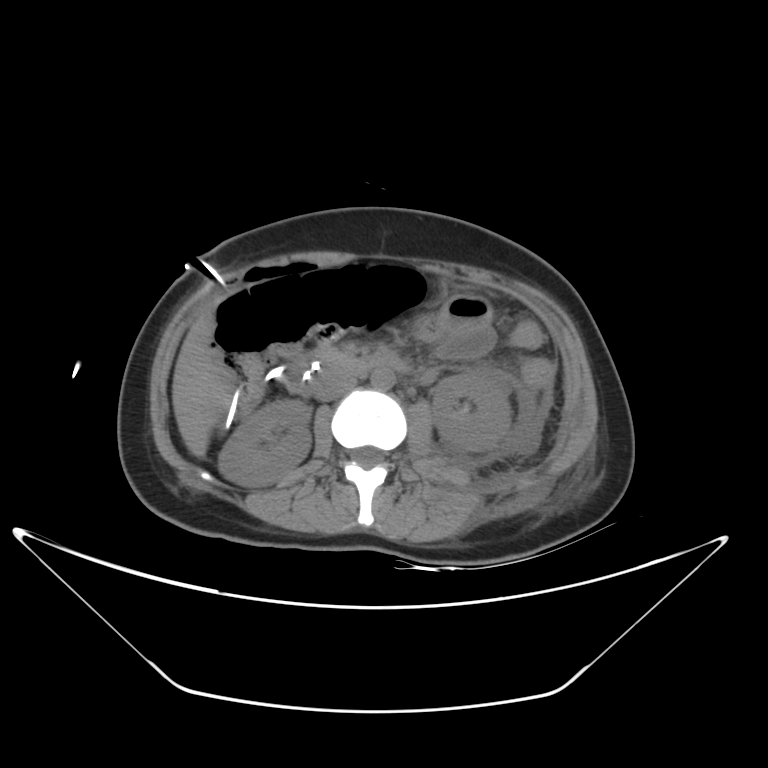 Abdominal CT — Axial slice 60/95 — Brilliance16 scanner
{"organs":{"left kidney":[432,371,511,451],"aorta":[370,367,394,389],"liver":[172,311,224,457],"duodenum":[265,353,404,396],"pancreas":[310,349,358,373],"inferior vena cava":[315,370,357,401],"right kidney":[218,399,311,487]}}